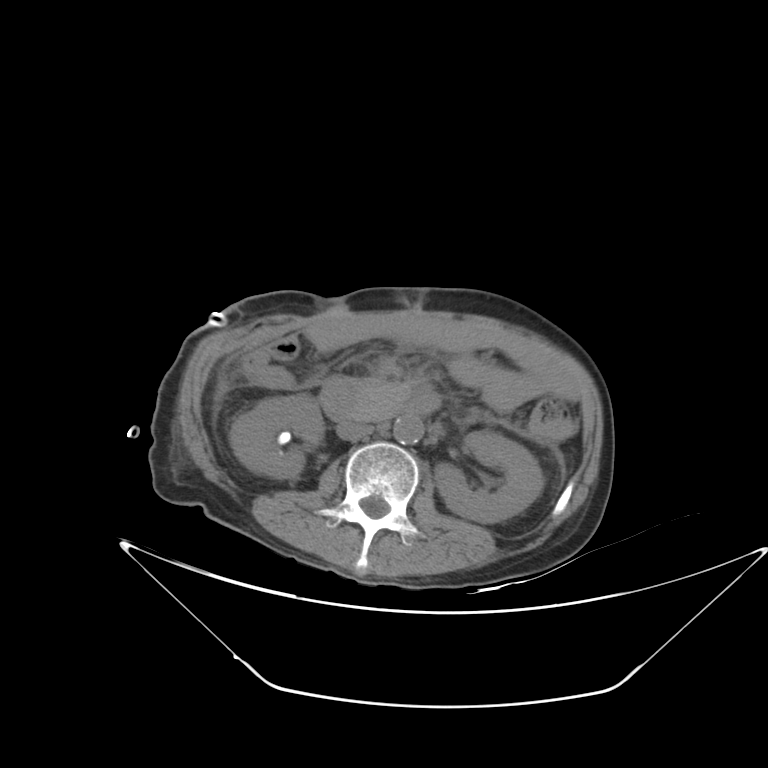

Abdominal CT; axial plane, index 58; soft-tissue window (W 400 / L 40); acquired on Brilliance16
Boxes are (x1, y1, x2, y2) in pixels. The annotated organs in this slice are: right kidney at (230, 394, 324, 478), left kidney at (434, 431, 542, 523), aorta at (393, 415, 423, 444), inferior vena cava at (336, 422, 372, 441), pancreas at (340, 379, 409, 417), duodenum at (320, 386, 442, 421).